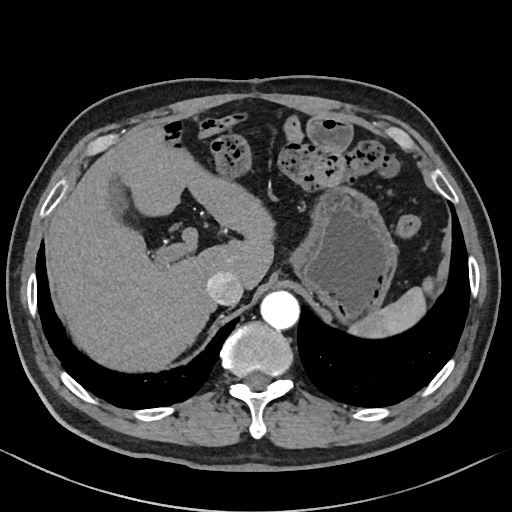

CT abdomen — axial view
{"organs":{"liver":[45,126,275,371],"spleen":[349,277,433,338],"stomach":[289,186,397,322],"inferior vena cava":[206,270,243,305],"aorta":[260,291,299,329],"gall bladder":[109,177,129,222]}}